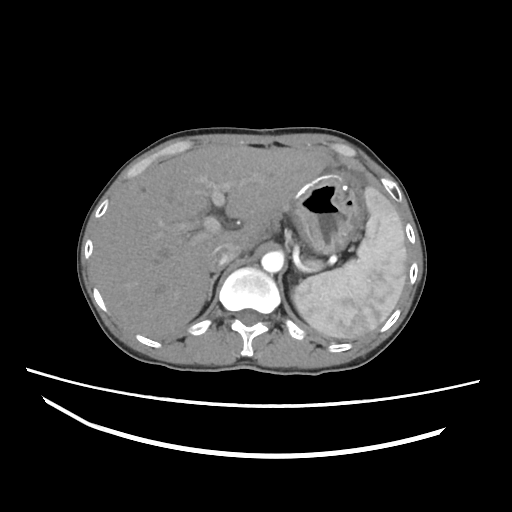

Computed tomography, abdomen; Axial slice 82/140; 512x512 px; 40-year-old male patient
{"organs":{"liver":[91,144,332,338],"right adrenal gland":[206,273,218,301],"aorta":[261,251,283,272],"spleen":[292,187,407,338],"pancreas":[305,260,323,270],"inferior vena cava":[210,243,240,271],"stomach":[285,169,365,254]}}